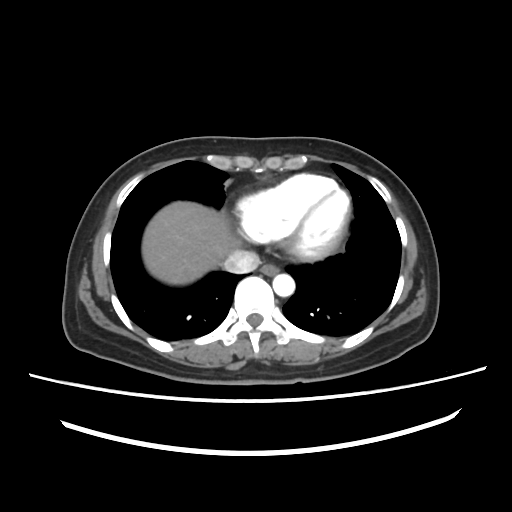

Computed tomography, abdomen · axial view · 512x512 px · 45-year-old female patient · Aquilion ONE scanner
Coordinates as <box>x1,y1,x2,y2</box> in pixels. Labeled organs on this slice: esophagus at <box>261,263,280,275</box>, liver at <box>142,201,236,284</box>, aorta at <box>272,274,295,296</box>, inferior vena cava at <box>222,250,260,273</box>.